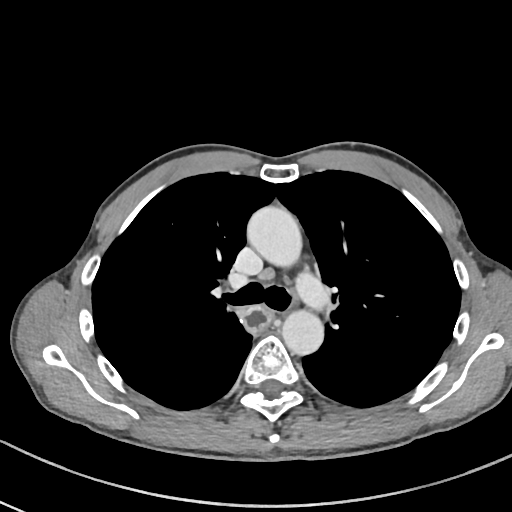
Chest-level slice from an abdominal CT that extends up into the chest; axial view
At this level of the chest no structure but the esophagus and the aorta has a label in this dataset, and those two are boxed only where they are labeled.
{"organs":{"esophagus":[239,305,272,333],"aorta":[[248,207,302,270],[282,307,324,354]]}}